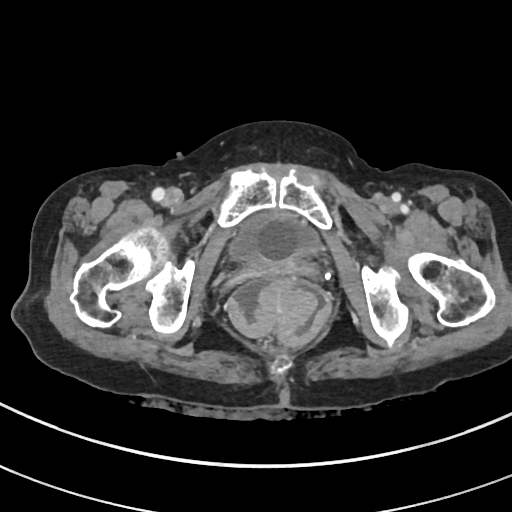 CT abdomen; axial view; W/L 400/40 HU; 512x512 px
Organ boxes in pixel coordinates; each row gives the top-left (x1, y1) and bottom-right (x2, y2) corners.
| organ | x1 | y1 | x2 | y2 |
|---|---|---|---|---|
| bladder | 230 | 212 | 318 | 262 |